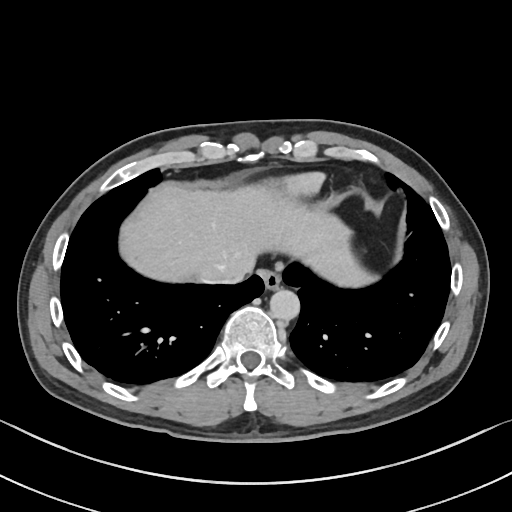 Computed tomography, abdomen; Axial slice 180/291; 512x512 px
Organ boxes in pixel coordinates; each row gives the top-left (x1, y1) and bottom-right (x2, y2) corners.
| organ | x1 | y1 | x2 | y2 |
|---|---|---|---|---|
| inferior vena cava | 200 | 275 | 243 | 283 |
| esophagus | 258 | 269 | 281 | 289 |
| aorta | 270 | 289 | 299 | 320 |
| liver | 120 | 182 | 380 | 286 |